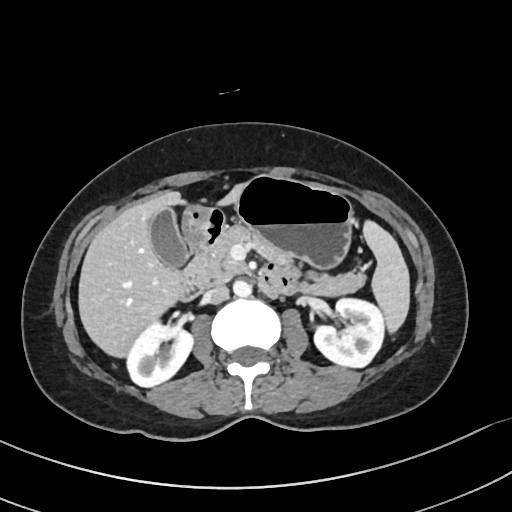

CT, abdomen/pelvis · Axial slice 127/175 · W/L 400/40 HU · 512x512 px
Boxes: x1:y1:x2:y2 in pixels.
Organ bounding boxes:
- duodenum: 178:208:300:300
- inferior vena cava: 205:285:229:303
- right kidney: 126:320:193:386
- pancreas: 188:225:365:296
- stomach: 182:175:352:268
- spleen: 363:220:409:333
- left kidney: 314:298:384:367
- aorta: 233:279:251:296
- liver: 78:183:244:357
- gall bladder: 146:206:188:267